CT abdomen; Axial slice 73/128; 512x512 px
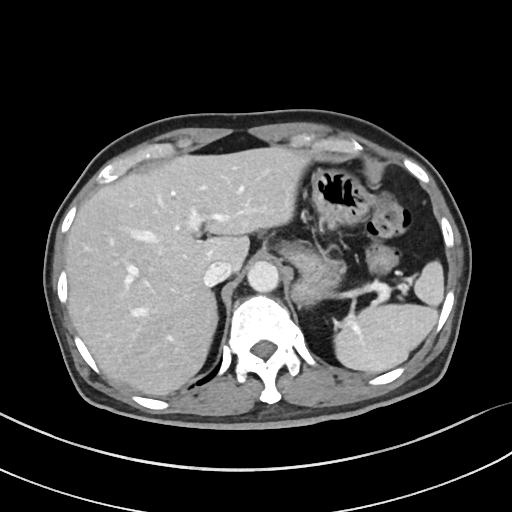
One row per box, in pixels: columns x1 and y1 give the top-left corner, x2 and y2 the bottom-right.
| organ | x1 | y1 | x2 | y2 |
|---|---|---|---|---|
| spleen | 334 | 261 | 444 | 373 |
| liver | 65 | 146 | 309 | 395 |
| stomach | 280 | 168 | 371 | 304 |
| aorta | 247 | 261 | 279 | 292 |
| inferior vena cava | 203 | 261 | 232 | 286 |
| right adrenal gland | 215 | 314 | 217 | 324 |